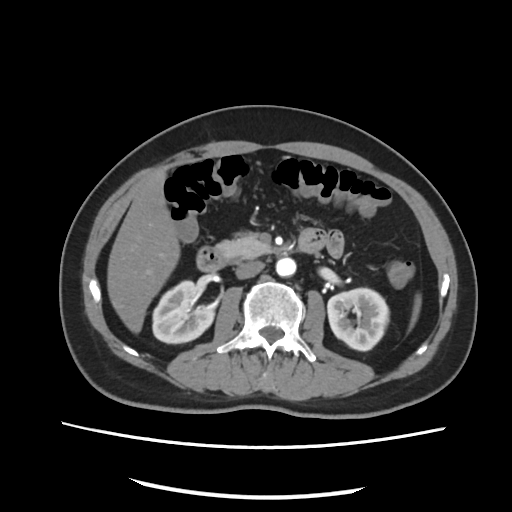 CT abdomen; axial view; W/L 400/40 HU; 512x512 px; 15 organs annotated in this scan (that count is for the whole scan; organs this slice misses have no box)
Coordinates as <box>x1,y1,x2,y2</box> in pixels.
Organ bounding boxes:
- spleen: <box>410,296,421,325</box>
- right kidney: <box>153,280,215,343</box>
- left kidney: <box>328,288,390,350</box>
- liver: <box>107,170,179,333</box>
- aorta: <box>276,257,296,276</box>
- inferior vena cava: <box>235,261,263,277</box>
- pancreas: <box>216,236,270,263</box>
- duodenum: <box>196,228,326,271</box>